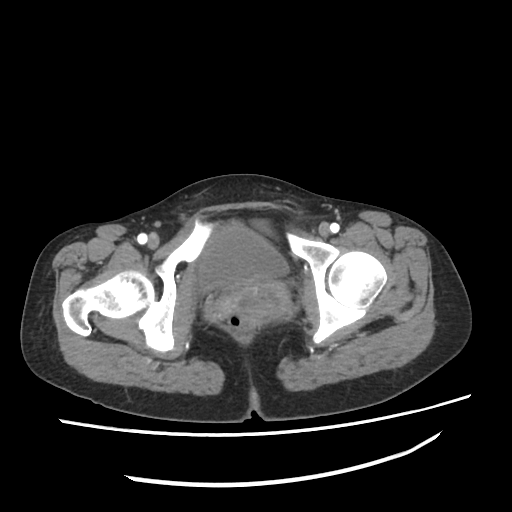 CT abdomen. axial plane, index 5. soft-tissue window (W 400 / L 40)
Box edges are left/top/right/bottom in pixels.
prostate/uterus: left=231, top=281, right=290, bottom=320
bladder: left=198, top=224, right=290, bottom=290